CT abdomen; axial view; soft-tissue window (W 400 / L 40); 512x512 px; 14 organs annotated in this scan (a whole-scan count: organs this slice does not pass through have no box)
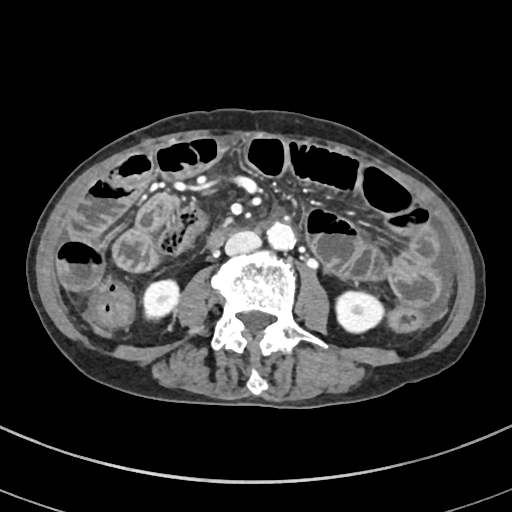
Boxes are (x1, y1, x2, y2) in pixels.
right kidney: (143, 279, 179, 319)
duodenum: (209, 227, 234, 247)
aorta: (267, 222, 295, 250)
left kidney: (336, 291, 384, 332)
inferior vena cava: (225, 230, 261, 254)